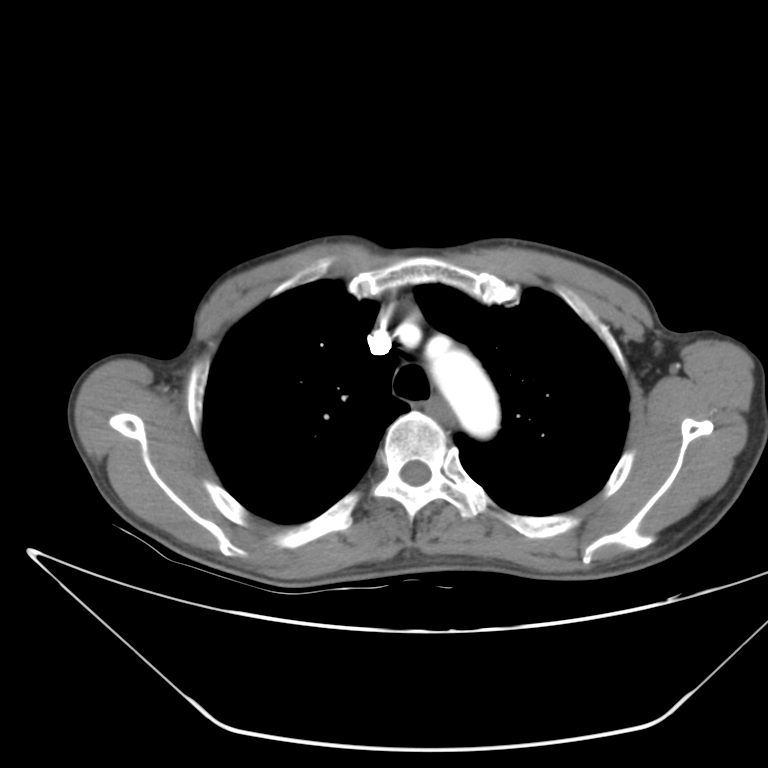

Chest-level slice from an abdominal CT that extends up into the chest — Axial slice 89/103 — soft-tissue window (W 400 / L 40)
At this level of the chest no structure but the esophagus and the aorta has a label in this dataset, and those two are boxed only where they are labeled.
Boxes: x1 y1 x2 y2 (pixel coords, space-separated).
esophagus: 425 399 455 422
aorta: 426 337 499 438